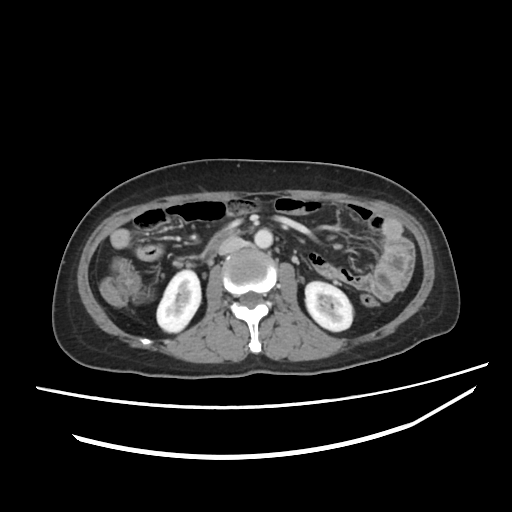
Computed tomography, abdomen; axial view; 54-year-old female patient
Box edges are left/top/right/bottom in pixels.
right kidney: left=156, top=270, right=200, bottom=332
left kidney: left=305, top=281, right=352, bottom=331
aorta: left=254, top=229, right=272, bottom=248
inferior vena cava: left=218, top=237, right=244, bottom=255
duodenum: left=206, top=228, right=240, bottom=250